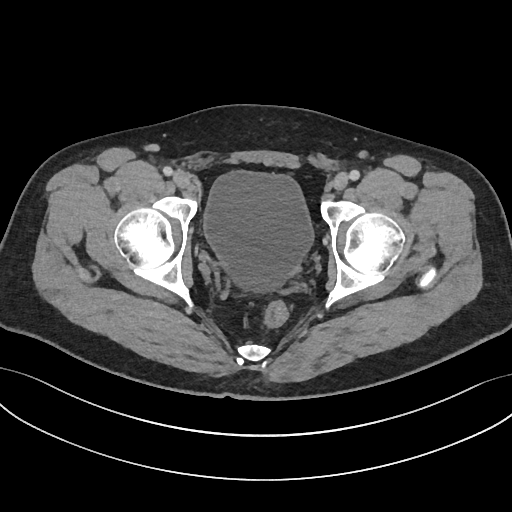
Computed tomography, abdomen · axial view · abdomen soft-tissue window · scan has 15 labeled organs (a whole-scan count: organs this slice does not pass through have no box)
<organs><organ name="bladder" x1="204" y1="172" x2="312" y2="292"/></organs>